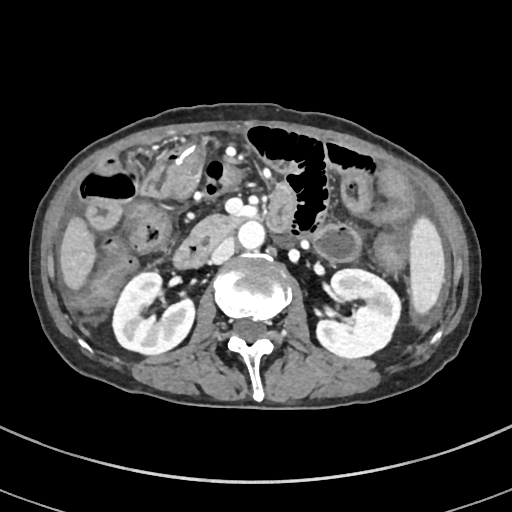 CT abdomen; axial view; soft-tissue window (W 400 / L 40); 512x512 px
Boxes: x1:y1:x2:y2 in pixels.
spleen: 410:217:444:314
right kidney: 112:270:194:354
left kidney: 317:268:401:358
liver: 60:218:94:287
aorta: 238:221:265:249
inferior vena cava: 211:237:236:262
pancreas: 192:214:245:243
duodenum: 174:183:295:269